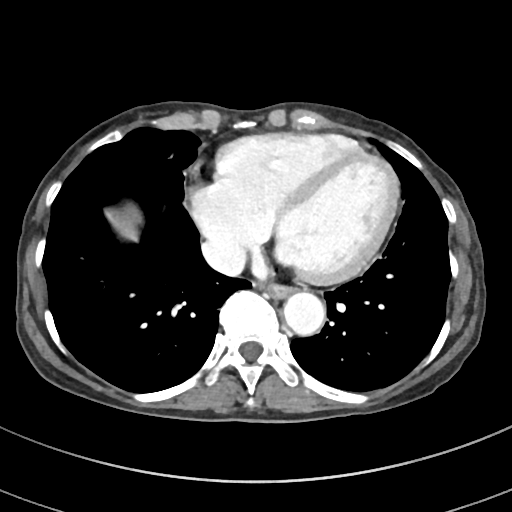

CT, abdomen/pelvis · axial view · soft-tissue window (W 400 / L 40) · 512x512 px
{"organs":{"esophagus":[264,284,293,298],"liver":[119,211,137,236],"aorta":[283,293,325,336],"inferior vena cava":[202,239,246,276]}}